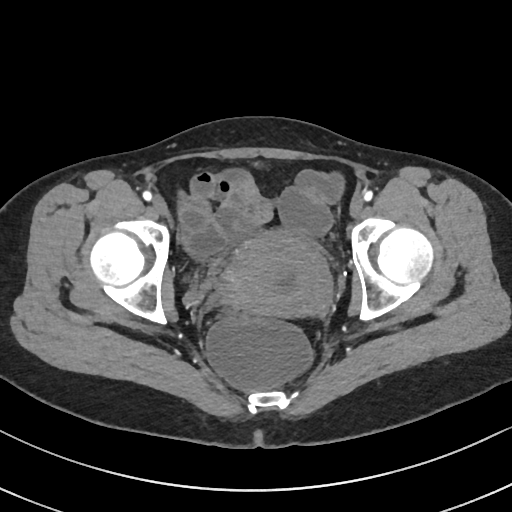 CT abdomen — axial view — soft-tissue window (W 400 / L 40) — scan has 15 labeled organs (counted over the whole 3D scan, not this slice; an organ is boxed only where this slice passes through it)
Each box given as x1,y1,x2,y2.
prostate/uterus: x1=215, y1=232, x2=333, y2=314